Abdominal CT · axial view · 15 organs annotated in this scan (that count is for the whole scan; organs this slice misses have no box)
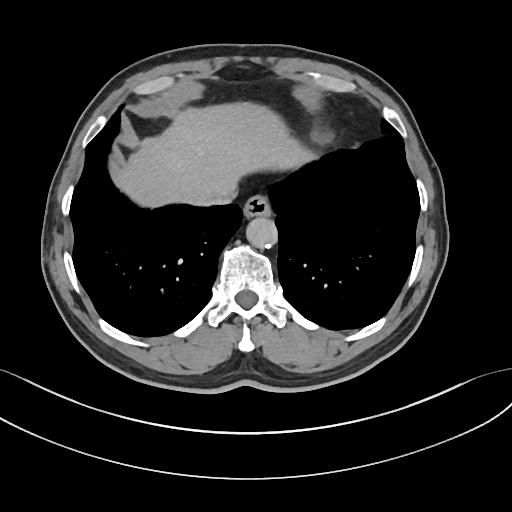

Each box given as x1,y1,x2,y2. The annotated organs in this slice are: esophagus at x1=243, y1=195, x2=270, y2=217, liver at x1=113, y1=102, x2=311, y2=207, aorta at x1=246, y1=217, x2=277, y2=248, inferior vena cava at x1=198, y1=189, x2=234, y2=205.